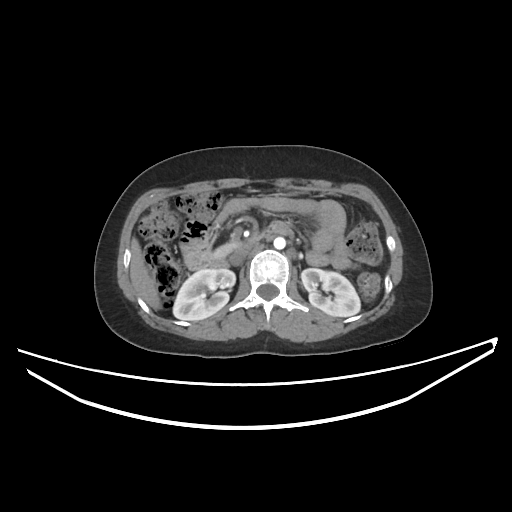 Computed tomography, abdomen — axial view — 37-year-old female patient
Box edges are left/top/right/bottom in pixels.
Organ bounding boxes:
- right kidney: left=173, top=269, right=235, bottom=320
- left kidney: left=301, top=268, right=360, bottom=316
- liver: left=130, top=238, right=161, bottom=309
- aorta: left=273, top=237, right=285, bottom=249
- inferior vena cava: left=231, top=247, right=249, bottom=263
- pancreas: left=214, top=243, right=242, bottom=256
- duodenum: left=208, top=222, right=292, bottom=268